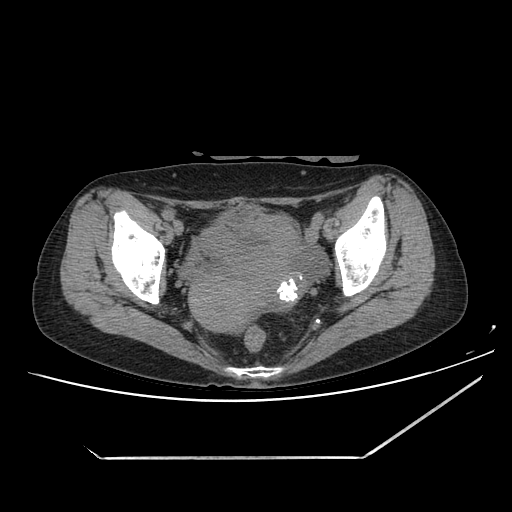

CT, abdomen/pelvis. axial view. abdomen soft-tissue window
Box edges are left/top/right/bottom in pixels.
Organ bounding boxes:
- bladder: left=212, top=205, right=260, bottom=229
- prostate/uterus: left=189, top=251, right=305, bottom=330